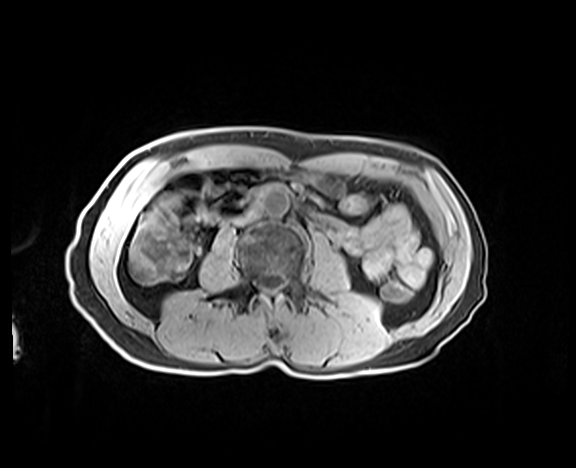

MRI, abdomen; axial view; 1st–99th percentile window; 576x468 px; Prisma scanner
Bounding boxes in pixels, one row per box: x1, y1 is the top-left corner and x2, y2 the bottom-right.
| organ | x1 | y1 | x2 | y2 |
|---|---|---|---|---|
| aorta | 262 | 188 | 289 | 216 |
| duodenum | 246 | 182 | 298 | 203 |
| inferior vena cava | 234 | 209 | 258 | 225 |